Abdominal CT · axial view · 512x512 px · 46-year-old male patient · acquired on Aquilion ONE · 15 organs annotated in this scan (counted over the whole 3D scan, not this slice; an organ is boxed only where this slice passes through it)
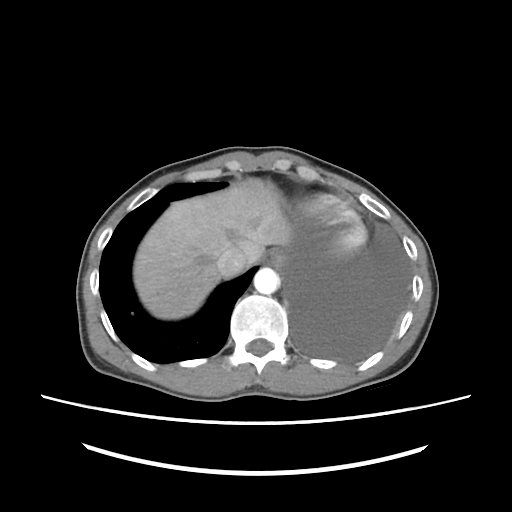
Boxes are (x1, y1, x2, y2) in pixels. 4 labeled organs on this slice — esophagus at (263, 252, 279, 264); liver at (134, 179, 290, 319); inferior vena cava at (216, 247, 246, 276); aorta at (253, 267, 279, 294).